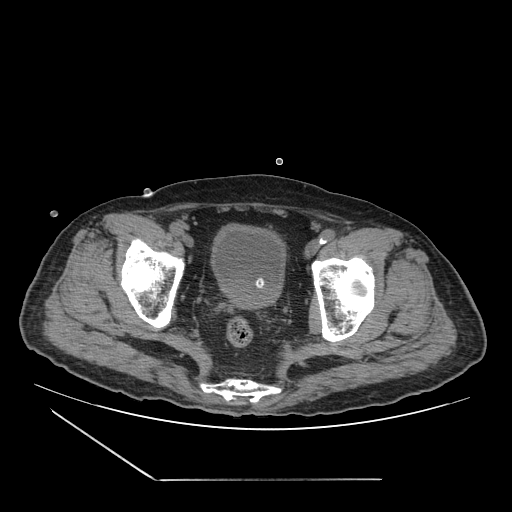
Computed tomography, abdomen · axial view · 512x512 px · acquired on SOMATOM Force · 15 organs annotated in this scan (that count is for the whole scan; organs this slice misses have no box)
Each box given as x1,y1,x2,y2.
bladder: x1=211, y1=225, x2=284, y2=296
prostate/uterus: x1=221, y1=280, x2=277, y2=309